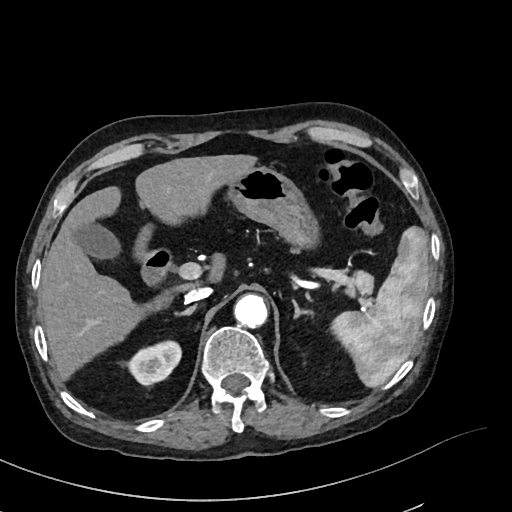
Abdominal CT. axial view. soft-tissue window (W 400 / L 40). 512x512 px. scan has 15 labeled organs (a whole-scan count: organs this slice does not pass through have no box)
Boxes are (x1, y1, x2, y2) in pixels.
Organ bounding boxes:
- spleen: (333, 228, 428, 386)
- left adrenal gland: (292, 298, 313, 319)
- right kidney: (129, 341, 180, 386)
- pancreas: (345, 269, 374, 296)
- stomach: (137, 166, 315, 260)
- inferior vena cava: (185, 287, 211, 302)
- right adrenal gland: (176, 304, 196, 314)
- aorta: (234, 293, 267, 326)
- liver: (39, 155, 252, 377)
- gall bladder: (72, 222, 117, 258)
- duodenum: (139, 248, 171, 282)